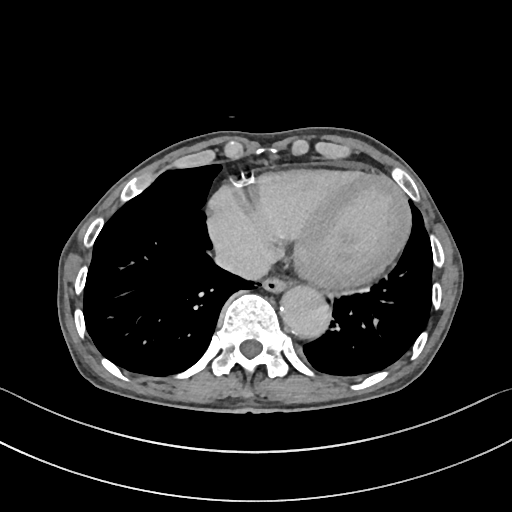 Abdominal CT; this slice is in the lower chest, just above the liver; axial view; W/L 400/40 HU
No part of the heart or lungs is labeled in this dataset, so neither has a box here.
Bounding boxes as [x1, y1, x2, y2] in pixel coordinates.
Organ bounding boxes:
- esophagus: [263, 276, 287, 292]
- aorta: [280, 285, 330, 338]
- inferior vena cava: [215, 243, 271, 279]